Lower-chest slice from an abdominal CT, just above the liver and spleen; Axial slice 93/133; 50-year-old male patient
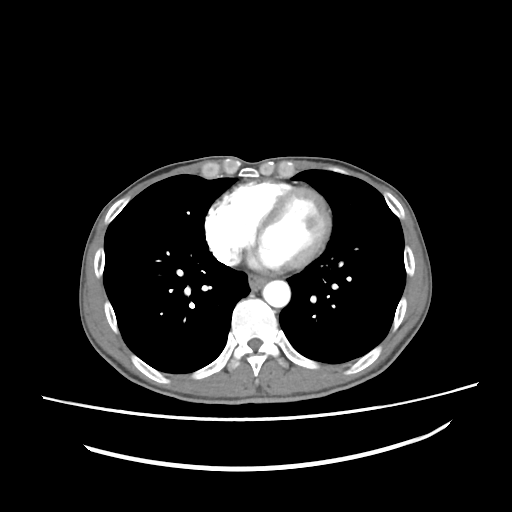
No part of the heart or lungs is labeled in this dataset, so neither has a box here.
Organ boxes in pixel coordinates; each row gives the top-left (x1, y1) and bottom-right (x2, y2) corners.
| organ | x1 | y1 | x2 | y2 |
|---|---|---|---|---|
| esophagus | 248 | 274 | 266 | 290 |
| aorta | 262 | 280 | 290 | 307 |